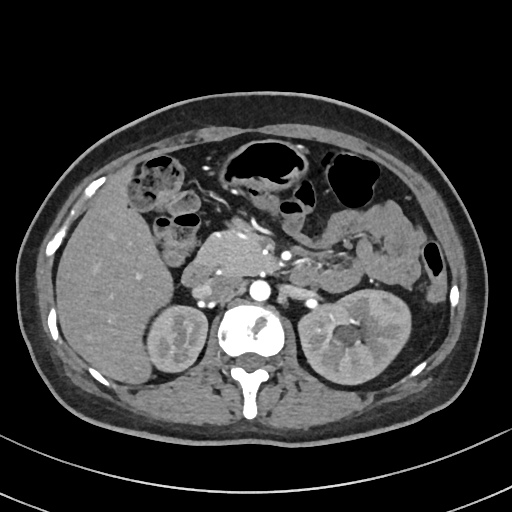
CT abdomen. axial view. soft-tissue window. 15 organs annotated in this scan (a whole-scan count: organs this slice does not pass through have no box)
Boxes: x1:y1:x2:y2 in pixels.
right kidney: 147:306:207:371
left kidney: 298:290:410:384
liver: 56:165:173:384
stomach: 218:140:307:189
aorta: 249:280:270:301
inferior vena cava: 200:274:240:298
pancreas: 196:220:274:275
duodenum: 181:261:315:286